Abdominal MRI; this slice is in the lower chest, just above the liver. Axial slice 72/72. 576x468 px. Prisma scanner
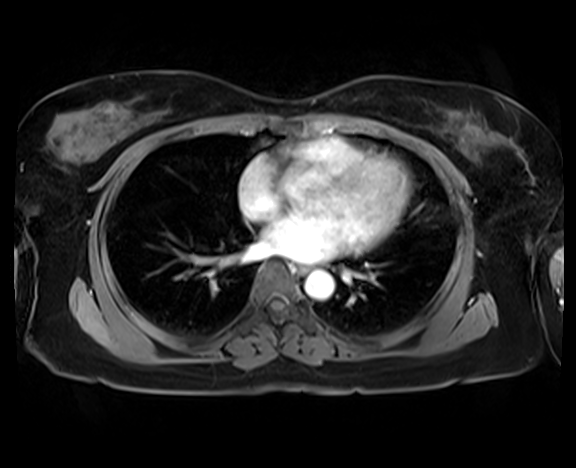
Of the structures in the chest, this dataset labels only the esophagus, the aorta and the inferior vena cava; the heart and lungs have no label.
Organ boxes in pixel coordinates; each row gives the top-left (x1, y1) and bottom-right (x2, y2) corners.
| organ | x1 | y1 | x2 | y2 |
|---|---|---|---|---|
| aorta | 305 | 270 | 334 | 299 |
| esophagus | 294 | 265 | 309 | 275 |